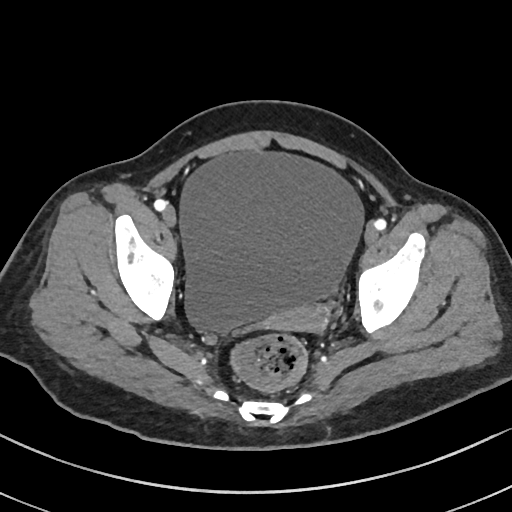
Abdominal CT · axial view
{"organs":{"bladder":[178,150,363,334],"prostate/uterus":[274,306,326,330]}}